Abdominal CT · axial view
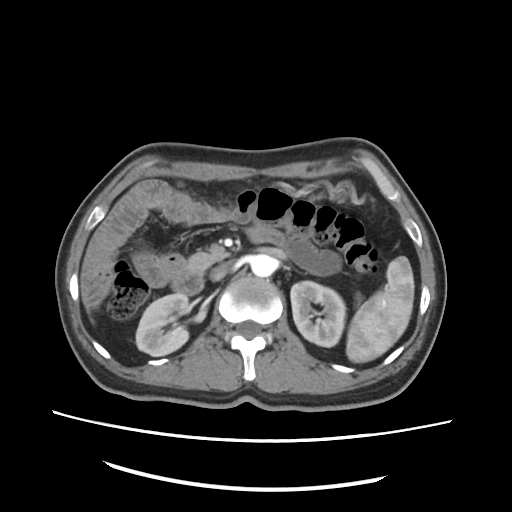

Bounding boxes as [x1, y1, x2, y2] in pixel coordinates.
liver: [88, 306, 94, 322]
duodenum: [173, 228, 285, 294]
pancreas: [187, 253, 227, 275]
inferior vena cava: [210, 261, 235, 280]
aorta: [251, 254, 276, 277]
right kidney: [136, 293, 188, 356]
spleen: [346, 165, 461, 362]
left kidney: [292, 280, 345, 347]